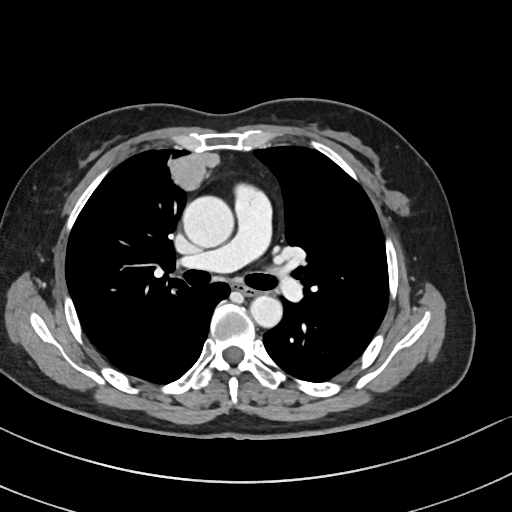
Chest-level CT slice, above the liver and spleen. axial view. 14 organs annotated in this scan (counted over the whole 3D scan, not this slice; an organ is boxed only where this slice passes through it)
At this level of the chest no structure but the esophagus and the aorta has a label in this dataset, and those two are boxed only where they are labeled.
<organs><organ name="aorta" x1="183" y1="196" x2="233" y2="247"/><organ name="aorta" x1="250" y1="295" x2="282" y2="327"/><organ name="esophagus" x1="232" y1="282" x2="256" y2="295"/></organs>